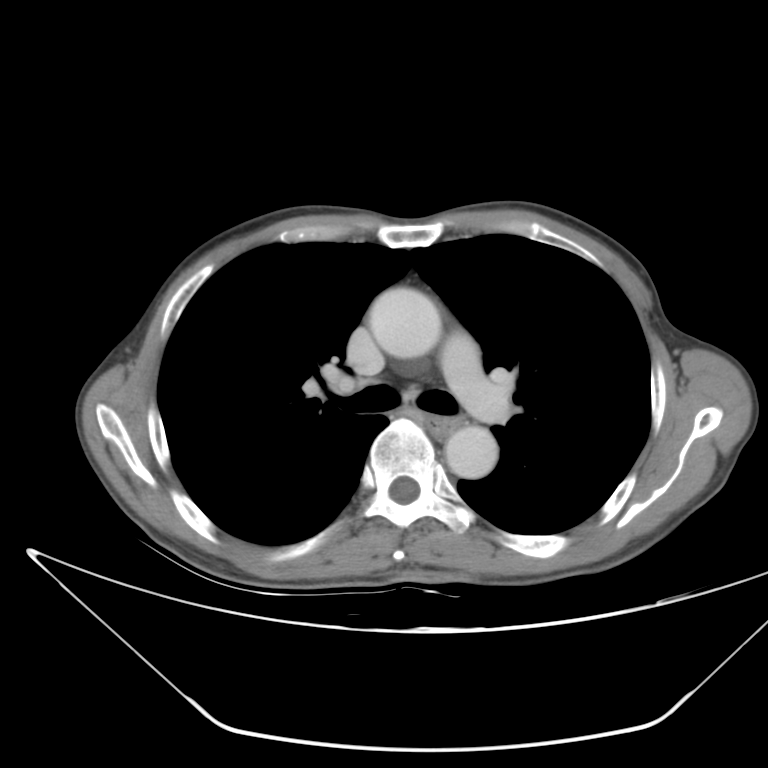
Abdominal CT reaching into the chest; this slice is in the chest. axial view. scan has 13 labeled organs (a whole-scan count: organs this slice does not pass through have no box)
At this level of the chest this dataset labels only the esophagus and the aorta, and each is boxed only where it is labeled; the heart and lungs are never labeled.
Bounding boxes as [x1, y1, x2, y2] in pixel coordinates.
esophagus: [426, 414, 464, 441]
aorta: [369, 284, 436, 359]
aorta: [444, 426, 497, 480]